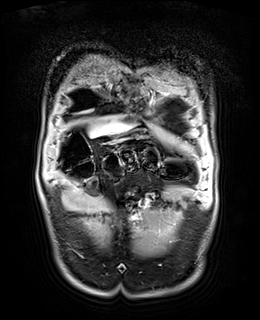 Magnetic resonance imaging, abdomen — coronal acquisition — scan has 13 labeled organs (a whole-scan count: organs this slice does not pass through have no box)
Bounding boxes as [x1, y1, x2, y2] in pixel coordinates. Labeled organs on this slice: liver at [89, 123, 130, 136], stomach at [108, 130, 144, 142].